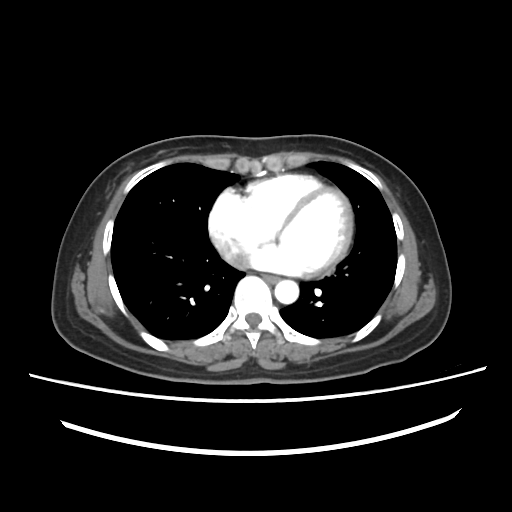
Lower-chest slice from an abdominal CT, just above the liver and spleen · axial view · soft-tissue window · 512x512 px
Of the structures in the chest, this dataset labels only the esophagus, the aorta and the inferior vena cava; the heart and lungs have no label.
{"organs":{"esophagus":[263,275,279,283],"aorta":[274,280,298,303],"inferior vena cava":[226,253,246,267]}}